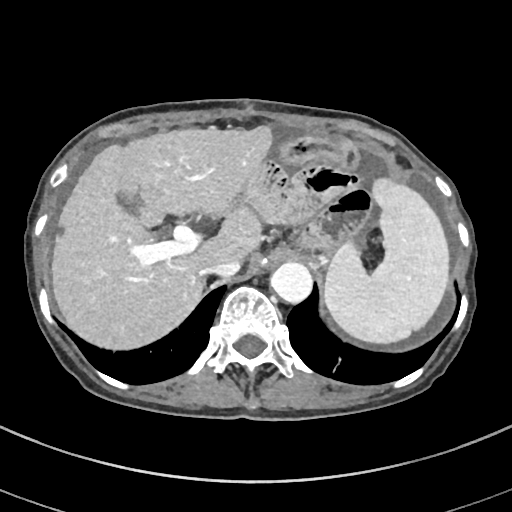

Abdominal CT; Axial slice 152/198; abdomen soft-tissue window; 512x512 px
Boxes: x1:y1:x2:y2 in pixels. 5 labeled organs on this slice — spleen at 324:178:449:343; inferior vena cava at 199:260:240:277; aorta at 270:262:312:303; liver at 51:125:273:349; gall bladder at 120:194:135:208.